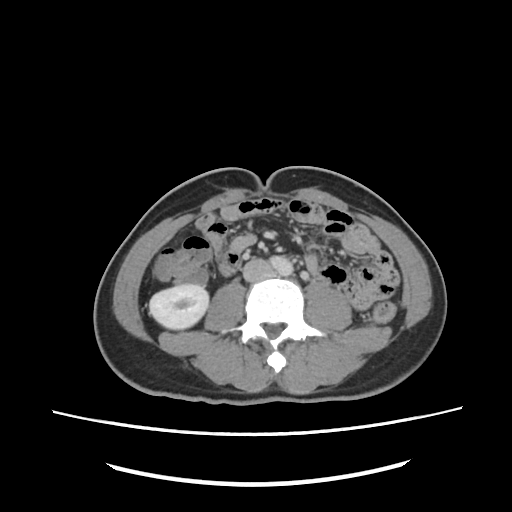

Abdominal CT. axial view. W/L 400/40 HU
{"organs":{"right kidney":[149,284,208,329],"aorta":[270,256,293,275],"inferior vena cava":[243,258,274,282]}}